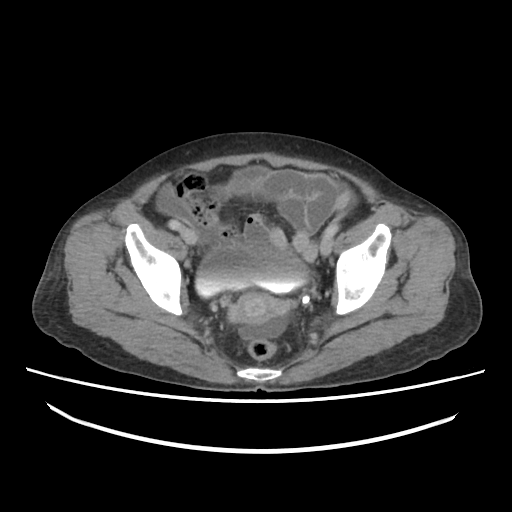 Computed tomography, abdomen. axial view. W/L 400/40 HU
<organs><organ name="prostate/uterus" x1="234" y1="294" x2="276" y2="323"/><organ name="bladder" x1="197" y1="251" x2="308" y2="294"/></organs>